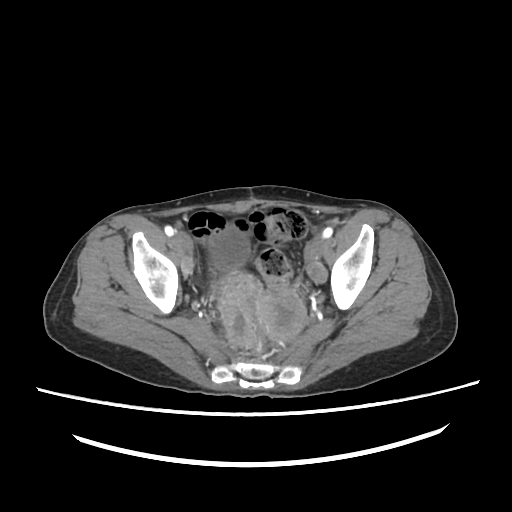 CT abdomen — Axial slice 19/82 — W/L 400/40 HU — 512x512 px — Aquilion ONE scanner — scan has 15 labeled organs (that count is for the whole scan; organs this slice misses have no box)
{"organs":{"bladder":[211,228,248,270],"prostate/uterus":[257,286,305,339]}}